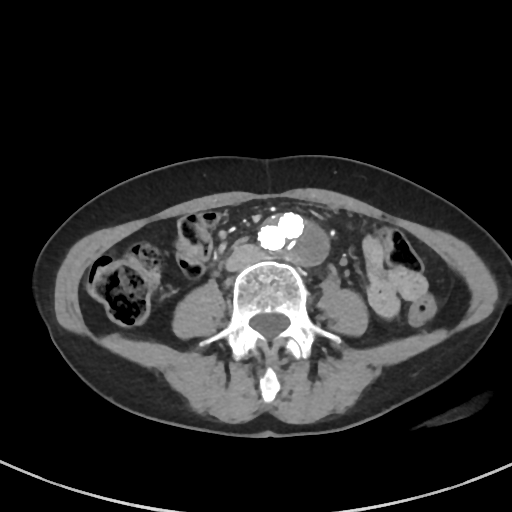 CT abdomen — axial view — SOMATOM Force scanner
Bounding boxes as [x1, y1, x2, y2] in pixel coordinates. Labeled organs on this slice: aorta at [257, 212, 331, 265], inferior vena cava at [225, 244, 262, 271].